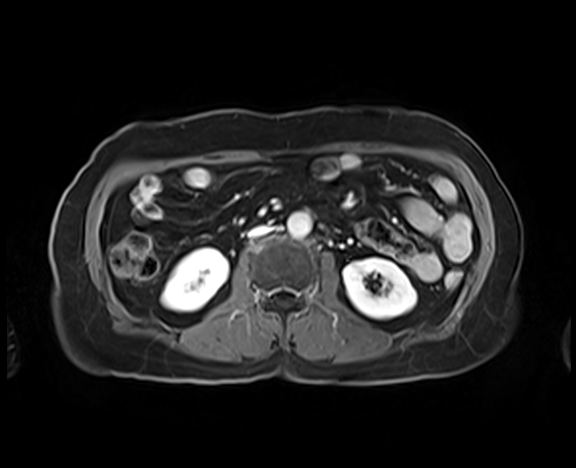
Abdominal MR — axial plane, index 11
Bounding boxes as [x1, y1, x2, y2] in pixel coordinates.
right kidney: [161, 248, 228, 311]
left kidney: [343, 257, 416, 318]
aorta: [287, 212, 311, 238]
inferior vena cava: [249, 225, 271, 237]